Computed tomography, abdomen; axial view; abdomen soft-tissue window; 52-year-old male patient; Aquilion ONE scanner; 15 organs annotated in this scan (counted over the whole 3D scan, not this slice; an organ is boxed only where this slice passes through it)
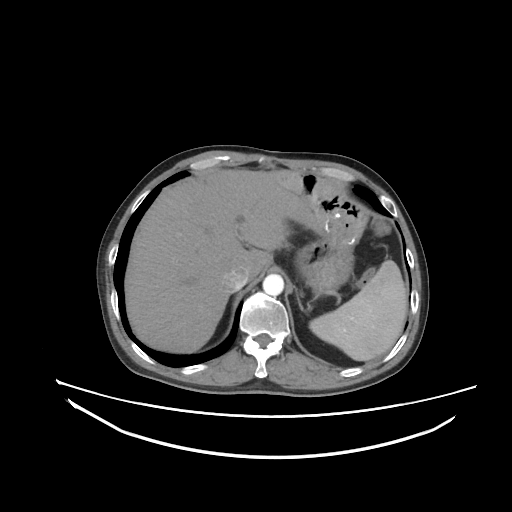

<organs><organ name="spleen" x1="309" y1="260" x2="407" y2="360"/><organ name="inferior vena cava" x1="224" y1="267" x2="247" y2="291"/><organ name="left adrenal gland" x1="297" y1="295" x2="305" y2="311"/><organ name="pancreas" x1="284" y1="243" x2="289" y2="248"/><organ name="stomach" x1="298" y1="227" x2="354" y2="291"/><organ name="aorta" x1="263" y1="274" x2="284" y2="295"/><organ name="liver" x1="125" y1="169" x2="314" y2="352"/></organs>